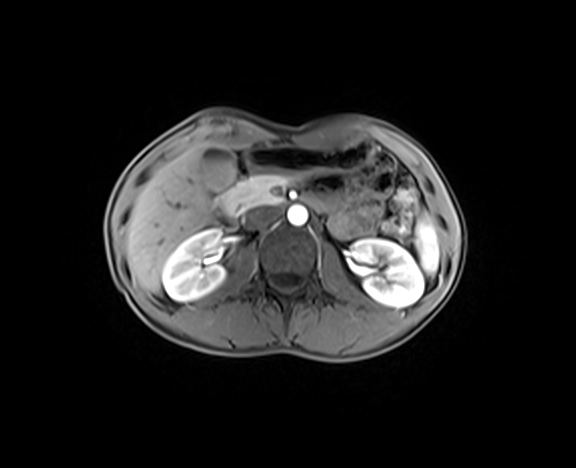
MRI, abdomen; axial view; 1st–99th percentile window; 576x468 px
Bounding boxes as [x1, y1, x2, y2] in pixel coordinates.
Organ bounding boxes:
- spleen: [415, 212, 438, 273]
- right kidney: [162, 230, 225, 300]
- left kidney: [350, 239, 423, 306]
- gall bladder: [202, 147, 235, 191]
- liver: [126, 142, 222, 292]
- stomach: [245, 141, 372, 173]
- aorta: [287, 205, 307, 225]
- inferior vena cava: [241, 206, 277, 230]
- pancreas: [222, 174, 293, 215]
- duodenum: [214, 153, 322, 229]